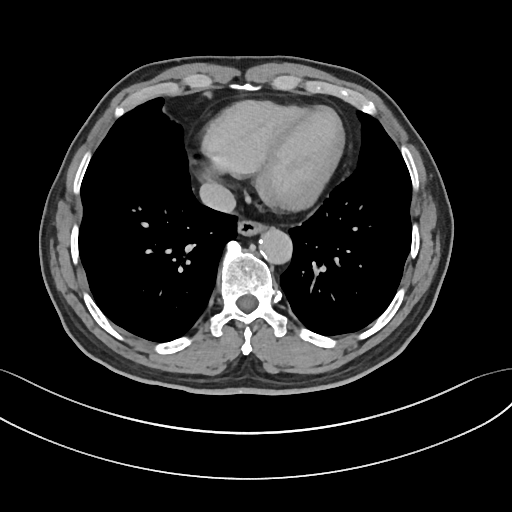 CT of the abdomen reaching into the lower chest, slice just above the liver and spleen — axial view — soft-tissue window, W/L 400/40 — 512x512 px
Of the structures in the chest, this dataset labels only the esophagus, the aorta and the inferior vena cava; the heart and lungs have no label.
One row per box, in pixels: columns x1 and y1 give the top-left corner, x2 and y2 the bottom-right.
| organ | x1 | y1 | x2 | y2 |
|---|---|---|---|---|
| esophagus | 237 | 218 | 265 | 235 |
| aorta | 258 | 228 | 292 | 263 |
| inferior vena cava | 199 | 182 | 235 | 212 |